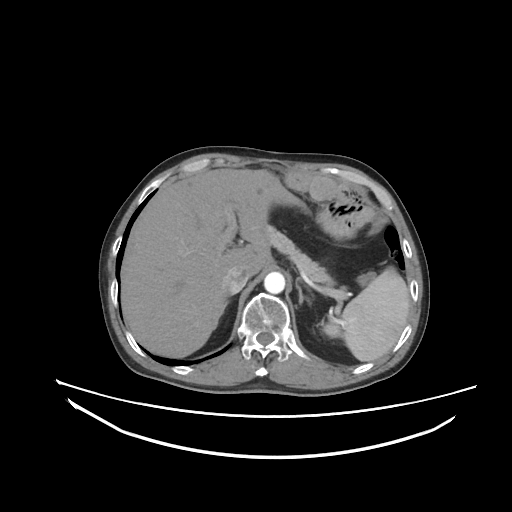 CT, abdomen/pelvis; axial view; soft-tissue window (W 400 / L 40); 512x512 px
<organs><organ name="spleen" x1="324" y1="267" x2="409" y2="361"/><organ name="liver" x1="121" y1="168" x2="299" y2="357"/><organ name="aorta" x1="264" y1="272" x2="285" y2="293"/><organ name="inferior vena cava" x1="224" y1="266" x2="248" y2="294"/><organ name="pancreas" x1="264" y1="225" x2="334" y2="288"/><organ name="right adrenal gland" x1="219" y1="300" x2="229" y2="317"/><organ name="left adrenal gland" x1="296" y1="280" x2="311" y2="305"/></organs>